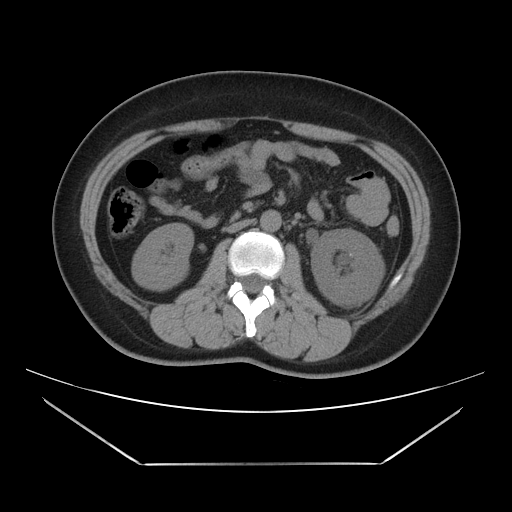
CT, abdomen/pelvis. axial view. soft-tissue window (W 400 / L 40). acquired on SOMATOM Force. scan has 15 labeled organs (counted over the whole 3D scan, not this slice; an organ is boxed only where this slice passes through it)
{"organs":{"right kidney":[131,223,193,290],"left kidney":[311,229,384,306],"aorta":[260,210,281,231],"inferior vena cava":[226,219,254,232]}}